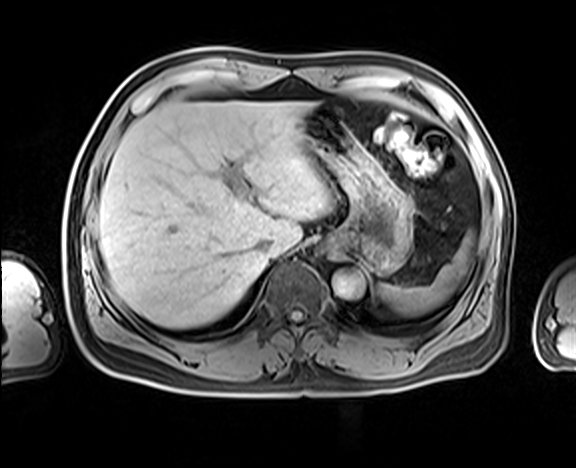

Magnetic resonance imaging, abdomen. axial view. 576x468 px
Boxes are (x1, y1, x2, y2) in pixels.
Organ bounding boxes:
- liver: (98, 100, 332, 328)
- aorta: (332, 272, 364, 297)
- stomach: (300, 104, 414, 275)
- spleen: (378, 233, 473, 316)
- inferior vena cava: (255, 238, 272, 254)